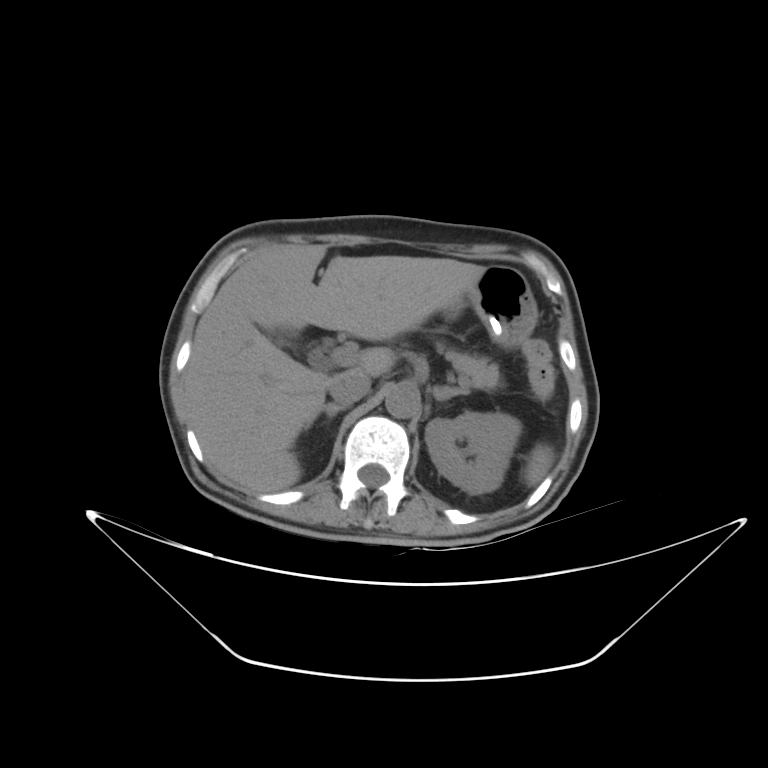

Computed tomography, abdomen. axial view. soft-tissue window (W 400 / L 40)
Boxes: x1 y1 x2 y2 (pixel coords, space-separated). The annotated organs in this slice are: pancreas at 443 349 500 389, liver at 183 244 485 491, right adrenal gland at 304 403 346 427, inferior vena cava at 329 371 370 405, left kidney at 425 412 521 493, spleen at 523 444 554 486, aorta at 385 384 420 418, stomach at 444 265 537 348, left adrenal gland at 432 386 469 400.